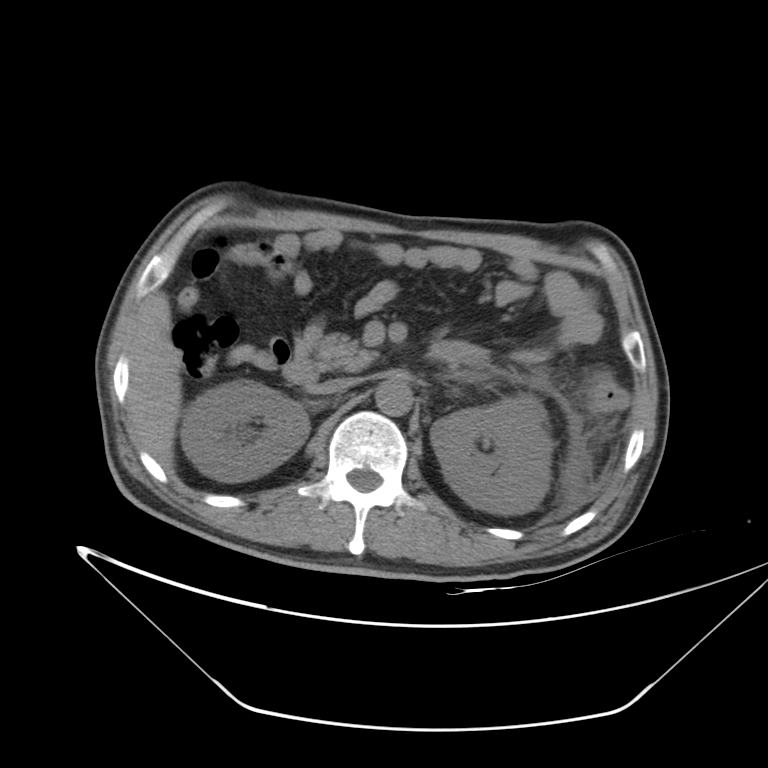 CT, abdomen/pelvis — axial view — W/L 400/40 HU — acquired on Brilliance16 — scan has 15 labeled organs (counted over the whole 3D scan, not this slice; an organ is boxed only where this slice passes through it)
{"organs":{"right kidney":[180,379,309,482],"left kidney":[430,394,553,515],"liver":[127,291,181,469],"aorta":[375,381,412,416],"inferior vena cava":[315,377,361,393],"pancreas":[318,334,376,370],"duodenum":[281,357,319,385]}}